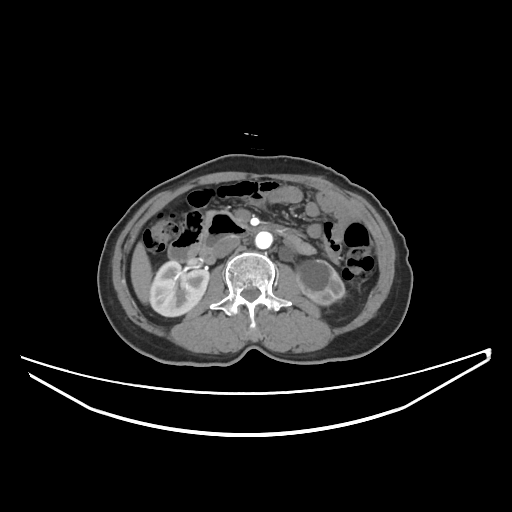 CT abdomen · axial plane, index 54 · 512x512 px · 62-year-old male patient · scan has 15 labeled organs (a whole-scan count: organs this slice does not pass through have no box)
Each box given as x1,y1,x2,y2.
duodenum: x1=187, y1=213, x2=265, y2=263
liver: x1=131, y1=242, x2=152, y2=303
inferior vena cava: x1=214, y1=236, x2=239, y2=257
left kidney: x1=297, y1=260, x2=345, y2=305
pancreas: x1=206, y1=211, x2=214, y2=222
right kidney: x1=149, y1=261, x2=209, y2=316
aorta: x1=255, y1=231, x2=272, y2=248